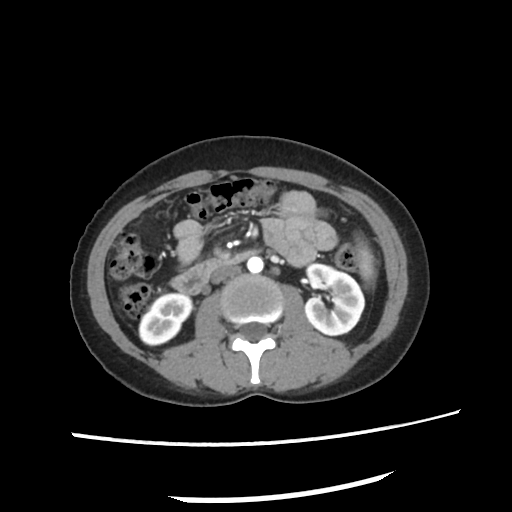
Computed tomography, abdomen — Axial slice 56/124 — soft-tissue window (W 400 / L 40) — 512x512 px — 34-year-old female patient — scan has 15 labeled organs (a whole-scan count: organs this slice does not pass through have no box)
Each box given as x1,y1,x2,y2. 6 labeled organs on this slice — inferior vena cava at x1=211, y1=266, x2=240, y2=284; aorta at x1=247, y1=256, x2=263, y2=272; spleen at x1=358, y1=237, x2=377, y2=283; right kidney at x1=138, y1=292, x2=191, y2=345; duodenum at x1=171, y1=251, x2=254, y2=294; left kidney at x1=305, y1=263, x2=364, y2=334.